CT abdomen — Axial slice 39/221 — abdomen soft-tissue window — acquired on SOMATOM Force
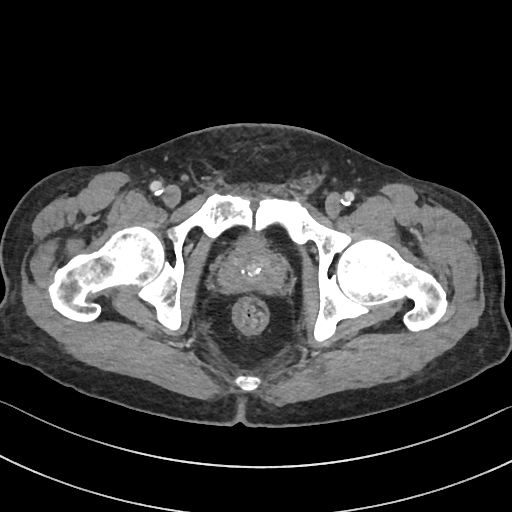
Coordinates as <box>x1,y1,x2,y2</box> in pixels.
Organ bounding boxes:
- prostate/uterus: <box>219,243,285,292</box>